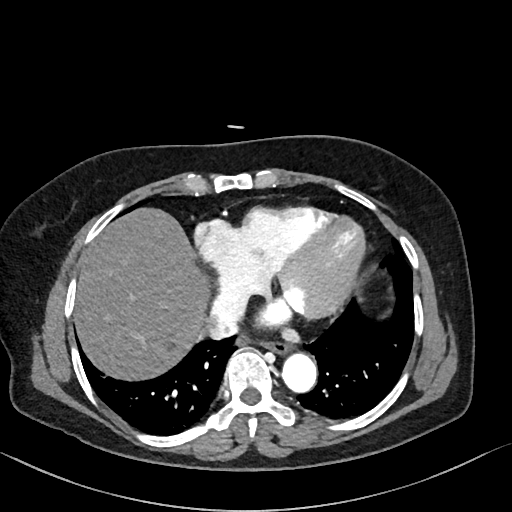
CT, abdomen/pelvis · axial view · scan has 15 labeled organs (counted over the whole 3D scan, not this slice; an organ is boxed only where this slice passes through it)
<organs><organ name="esophagus" x1="256" y1="337" x2="289" y2="352"/><organ name="liver" x1="73" y1="206" x2="211" y2="381"/><organ name="aorta" x1="282" y1="351" x2="316" y2="392"/><organ name="inferior vena cava" x1="205" y1="284" x2="250" y2="339"/></organs>